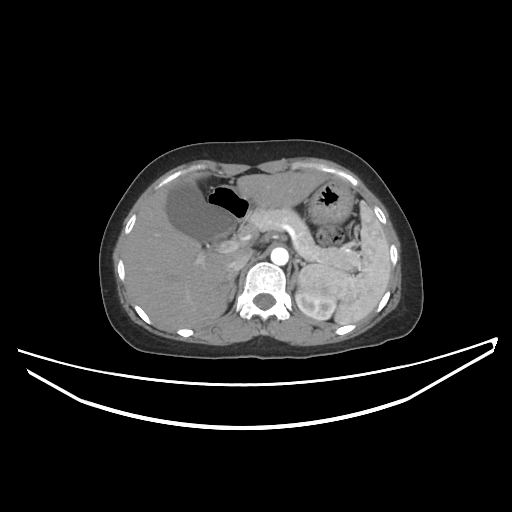
CT, abdomen/pelvis — axial plane, index 75
Bounding boxes in pixels, one row per box: x1, y1 is the top-left corner and x2, y2 the bottom-right.
| organ | x1 | y1 | x2 | y2 |
|---|---|---|---|---|
| spleen | 299 | 201 | 390 | 324 |
| left kidney | 295 | 287 | 336 | 320 |
| gall bladder | 166 | 180 | 235 | 242 |
| liver | 123 | 171 | 327 | 329 |
| stomach | 308 | 180 | 353 | 225 |
| aorta | 271 | 247 | 288 | 265 |
| inferior vena cava | 226 | 251 | 250 | 272 |
| pancreas | 241 | 207 | 359 | 271 |
| right adrenal gland | 224 | 271 | 237 | 299 |
| left adrenal gland | 290 | 257 | 299 | 289 |
| duodenum | 212 | 185 | 251 | 219 |